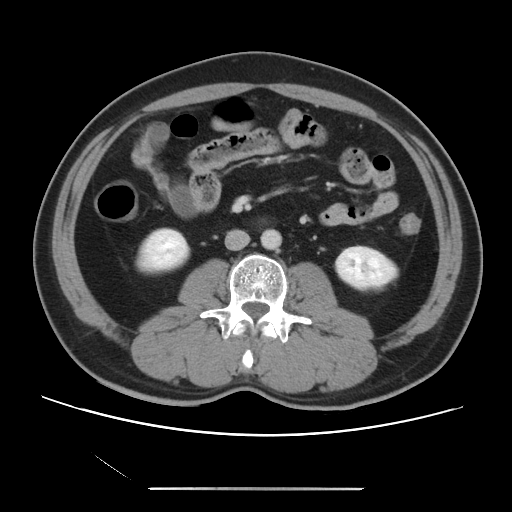 CT, abdomen/pelvis — Axial slice 58/131 — SOMATOM Force scanner — 15 organs annotated in this scan (a whole-scan count: organs this slice does not pass through have no box)
Coordinates as <box>x1,y1,x2,y2</box> in pixels. The annotated organs in this slice are: right kidney at <box>136,229,188,272</box>, left kidney at <box>335,246,397,289</box>, aorta at <box>260,229,281,249</box>, inferior vena cava at <box>225,229,250,250</box>.